Abdominal CT; Axial slice 90/134; abdomen soft-tissue window; Aquilion ONE scanner
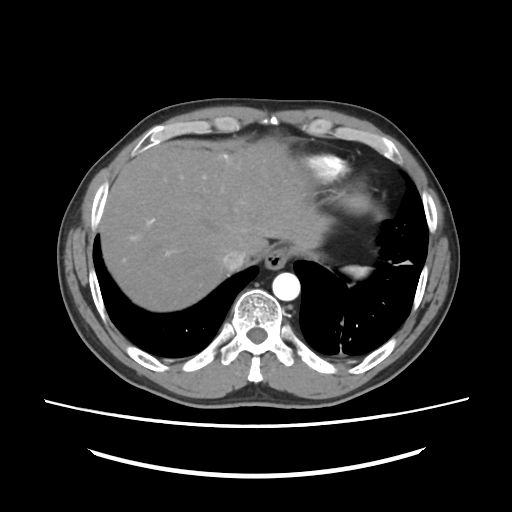

One row per box, in pixels: columns x1 and y1 give the top-left corner, x2 and y2 the bottom-right.
| organ | x1 | y1 | x2 | y2 |
|---|---|---|---|---|
| spleen | 347 | 266 | 368 | 277 |
| esophagus | 264 | 247 | 289 | 269 |
| inferior vena cava | 222 | 247 | 246 | 270 |
| aorta | 272 | 272 | 300 | 300 |
| liver | 100 | 138 | 331 | 311 |